Abdominal CT. axial view. acquired on SOMATOM Force
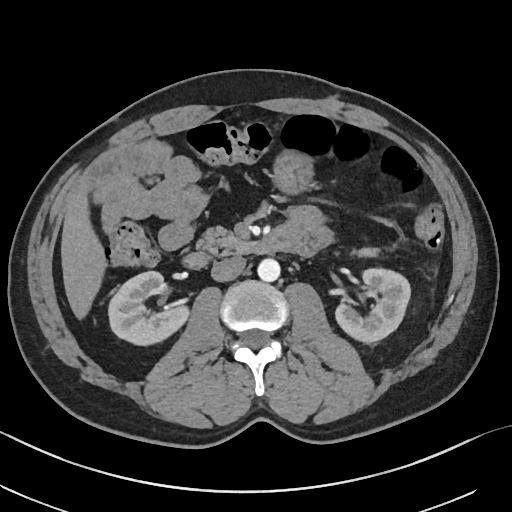 {"organs":{"right kidney":[109,271,190,346],"left kidney":[335,268,409,343],"liver":[61,181,106,320],"stomach":[274,151,312,192],"aorta":[257,259,280,282],"inferior vena cava":[210,256,245,281],"pancreas":[194,228,380,258],"duodenum":[184,229,293,268]}}